MRI, abdomen · coronal acquisition · 1st–99th percentile window
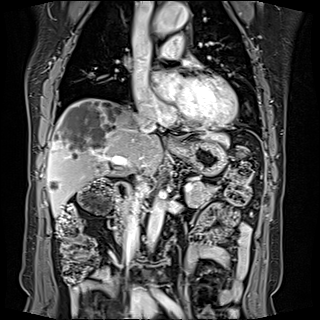
Boxes: x1:y1:x2:y2 in pixels.
Organ bounding boxes:
- pancreas: 120:181:216:214
- liver: 46:98:229:216
- stomach: 173:139:227:176
- aorta: 154:3:187:33
- aorta: 147:191:165:248
- aorta: 151:289:168:297
- inferior vena cava: 125:177:145:262
- inferior vena cava: 136:110:155:132
- inferior vena cava: 131:285:145:306
- duodenum: 113:182:128:244
- esophagus: 168:140:178:149